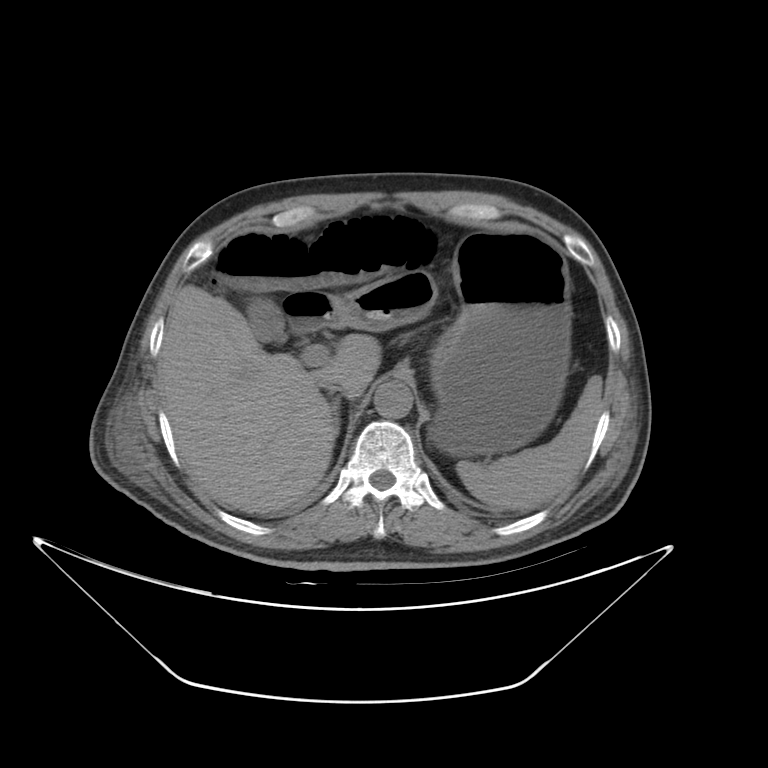 CT, abdomen/pelvis — axial view — abdomen soft-tissue window — acquired on Brilliance16
Boxes: x1 y1 x2 y2 (pixel coords, space-separated).
Organ bounding boxes:
- right adrenal gland: 332 396 340 439
- spleen: 456 374 603 514
- gall bladder: 246 300 286 341
- aorta: 375 381 413 417
- inferior vena cava: 323 376 352 393
- liver: 163 285 379 514
- duodenum: 285 296 336 337
- stomach: 333 228 572 457